CT abdomen; Axial slice 34/103
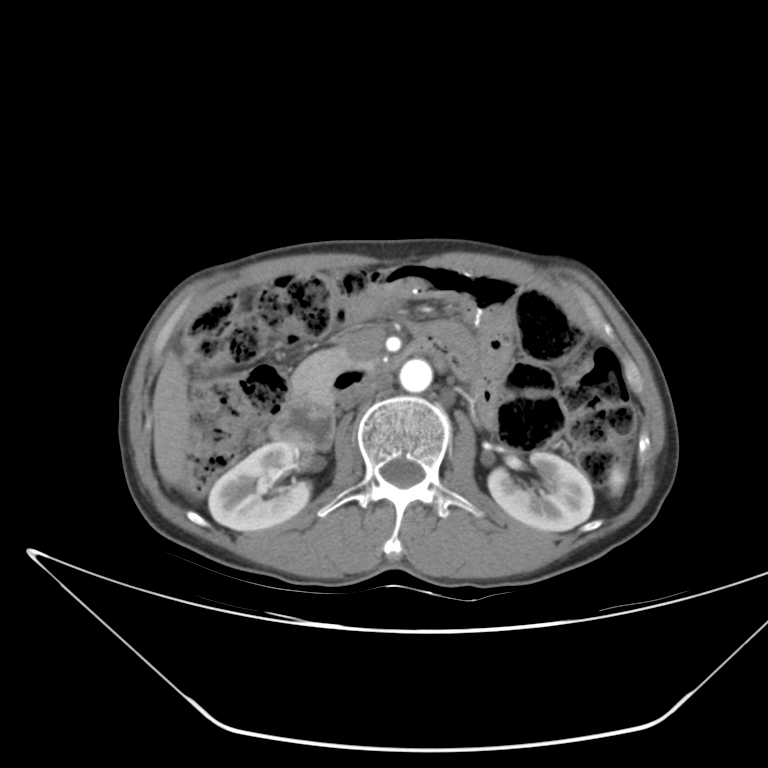

Organ boxes in pixel coordinates; each row gives the top-left (x1, y1) and bottom-right (x2, y2) corners.
| organ | x1 | y1 | x2 | y2 |
|---|---|---|---|---|
| spleen | 608 | 465 | 625 | 492 |
| right kidney | 208 | 441 | 310 | 531 |
| left kidney | 488 | 452 | 593 | 531 |
| liver | 152 | 352 | 192 | 484 |
| aorta | 399 | 359 | 432 | 392 |
| inferior vena cava | 340 | 377 | 388 | 408 |
| pancreas | 293 | 348 | 356 | 409 |
| duodenum | 270 | 344 | 428 | 448 |